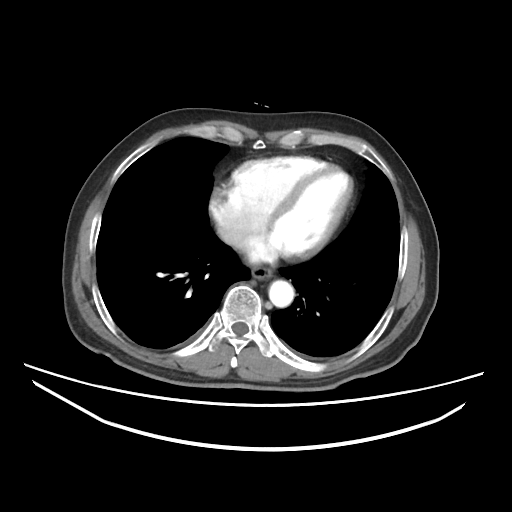
Abdominal CT; this slice is in the lower chest, just above the liver; axial view; 58-year-old male patient
Of the structures in the chest, this dataset labels only the esophagus, the aorta and the inferior vena cava; the heart and lungs have no label. Each box given as x1,y1,x2,y2. The annotated organs in this slice are: esophagus at x1=252, y1=267, x2=271, y2=279, aorta at x1=269, y1=280, x2=294, y2=307, inferior vena cava at x1=218, y1=224, x2=246, y2=247.